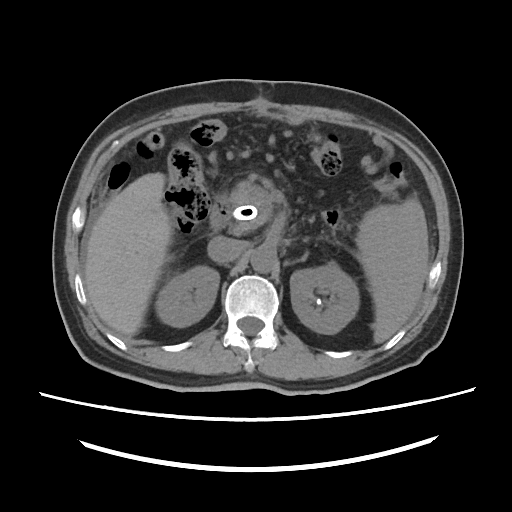 CT, abdomen/pelvis. axial view. abdomen soft-tissue window. 49-year-old male patient. 14 organs annotated in this scan (that count is for the whole scan; organs this slice misses have no box)
One row per box, in pixels: columns x1 and y1 give the top-left corner, x2 and y2 the bottom-right.
| organ | x1 | y1 | x2 | y2 |
|---|---|---|---|---|
| spleen | 356 | 198 | 428 | 341 |
| right kidney | 155 | 266 | 219 | 327 |
| left kidney | 290 | 263 | 359 | 334 |
| liver | 84 | 172 | 171 | 336 |
| aorta | 250 | 246 | 276 | 273 |
| inferior vena cava | 207 | 236 | 243 | 263 |
| pancreas | 229 | 181 | 273 | 234 |
| duodenum | 209 | 198 | 231 | 230 |